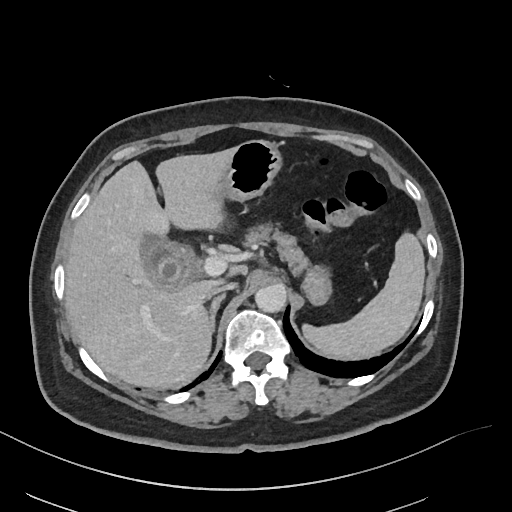

Abdominal CT · axial view · abdomen soft-tissue window · 512x512 px · SOMATOM Force scanner
Bounding boxes in pixels, one row per box: x1, y1 is the top-left corner and x2, y2 the bottom-right.
| organ | x1 | y1 | x2 | y2 |
|---|---|---|---|---|
| aorta | 255 | 285 | 286 | 313 |
| liver | 65 | 146 | 237 | 388 |
| right adrenal gland | 210 | 294 | 225 | 331 |
| pancreas | 246 | 226 | 308 | 274 |
| gall bladder | 142 | 236 | 193 | 288 |
| stomach | 226 | 140 | 333 | 305 |
| inferior vena cava | 210 | 281 | 235 | 297 |
| spleen | 302 | 233 | 424 | 358 |